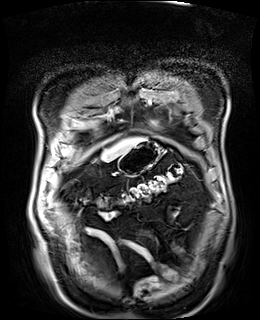 Magnetic resonance imaging, abdomen — coronal acquisition — percentile-normalized — 260x320 px
<organs><organ name="liver" x1="101" y1="137" x2="143" y2="161"/><organ name="stomach" x1="118" y1="140" x2="160" y2="176"/></organs>